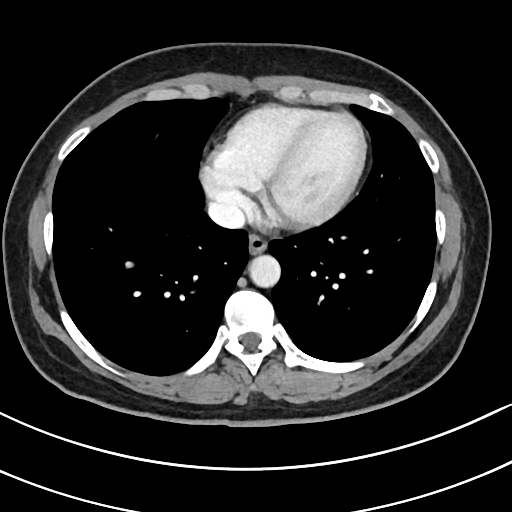
Abdominal CT; this slice is in the lower chest, just above the liver. axial view
Of the structures in the chest, this dataset labels only the esophagus, the aorta and the inferior vena cava; the heart and lungs have no label.
<organs><organ name="esophagus" x1="248" y1="234" x2="267" y2="254"/><organ name="aorta" x1="249" y1="255" x2="280" y2="287"/><organ name="inferior vena cava" x1="207" y1="201" x2="245" y2="228"/></organs>